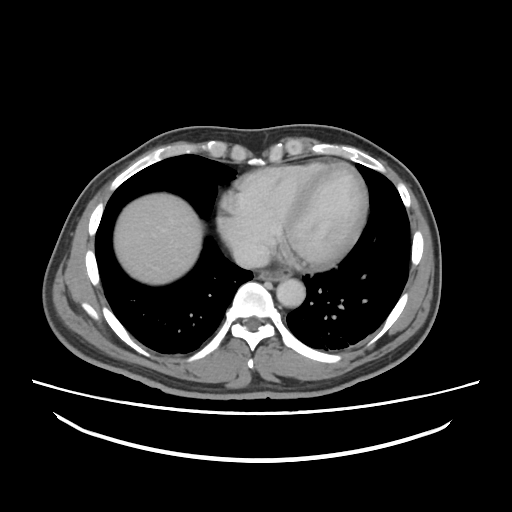 CT, abdomen/pelvis — axial view — acquired on Aquilion ONE
Boxes: x1:y1:x2:y2 in pixels. The annotated organs in this slice are: inferior vena cava at 232:241:270:268, esophagus at 260:270:290:281, aorta at 276:279:305:307, liver at 114:193:202:284.